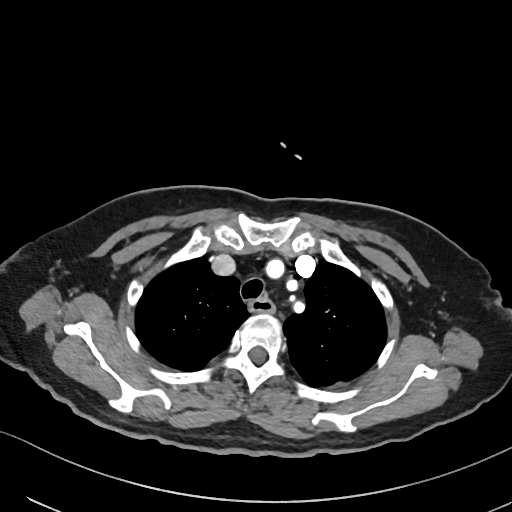

Abdominal CT reaching into the chest; this slice is in the chest. axial view. scan has 15 labeled organs (a whole-scan count: organs this slice does not pass through have no box)
On a slice this high in the chest, this dataset labels only the esophagus and the aorta, and each is boxed only where it is labeled; the heart, lungs and other chest structures are not labeled.
Box edges are left/top/right/bottom in pixels.
Organ bounding boxes:
- esophagus: left=249, top=299, right=273, bottom=313